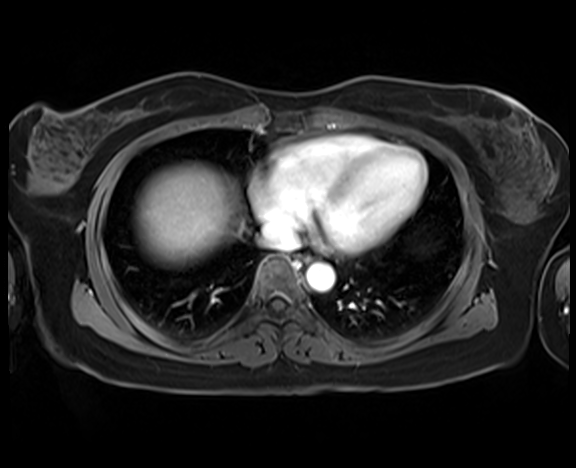

Magnetic resonance imaging, abdomen; axial plane, index 62
<organs><organ name="inferior vena cava" x1="262" y1="222" x2="298" y2="250"/><organ name="aorta" x1="306" y1="262" x2="335" y2="292"/><organ name="liver" x1="136" y1="164" x2="238" y2="264"/><organ name="esophagus" x1="299" y1="253" x2="311" y2="262"/></organs>